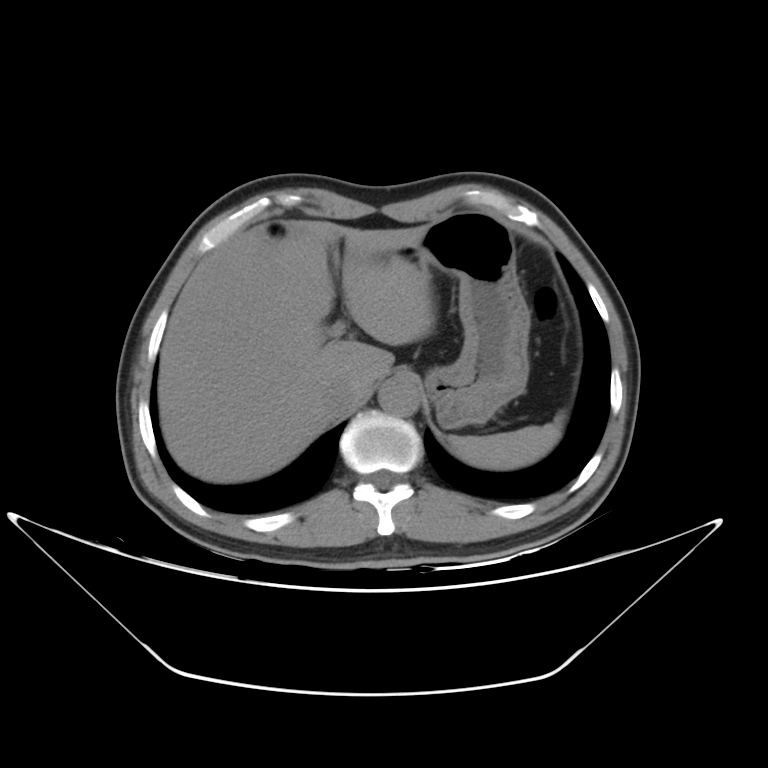
Abdominal CT · Axial slice 89/104 · acquired on Brilliance16 · 15 organs annotated in this scan (a whole-scan count: organs this slice does not pass through have no box)
{"organs":{"spleen":[449,411,564,469],"liver":[156,221,433,482],"stomach":[403,211,531,426],"aorta":[380,373,419,415],"inferior vena cava":[326,380,356,415]}}